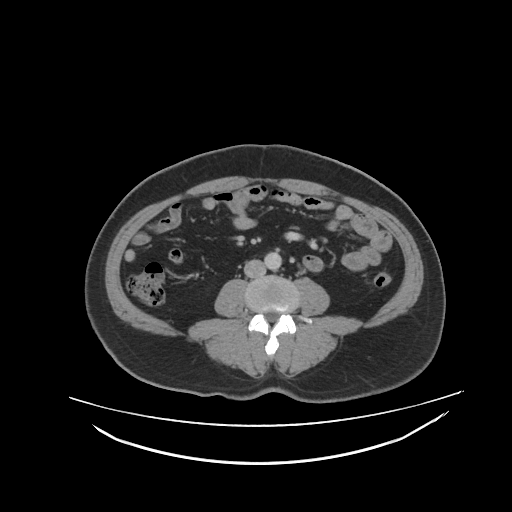

Abdominal CT. axial plane, index 51. soft-tissue window. 512x512 px. 45-year-old male patient
Boxes: x1:y1:x2:y2 in pixels. 2 labeled organs on this slice — aorta at 264:252:279:270; inferior vena cava at 244:259:265:278.